Computed tomography, abdomen · axial view · soft-tissue window (W 400 / L 40) · 45-year-old male patient
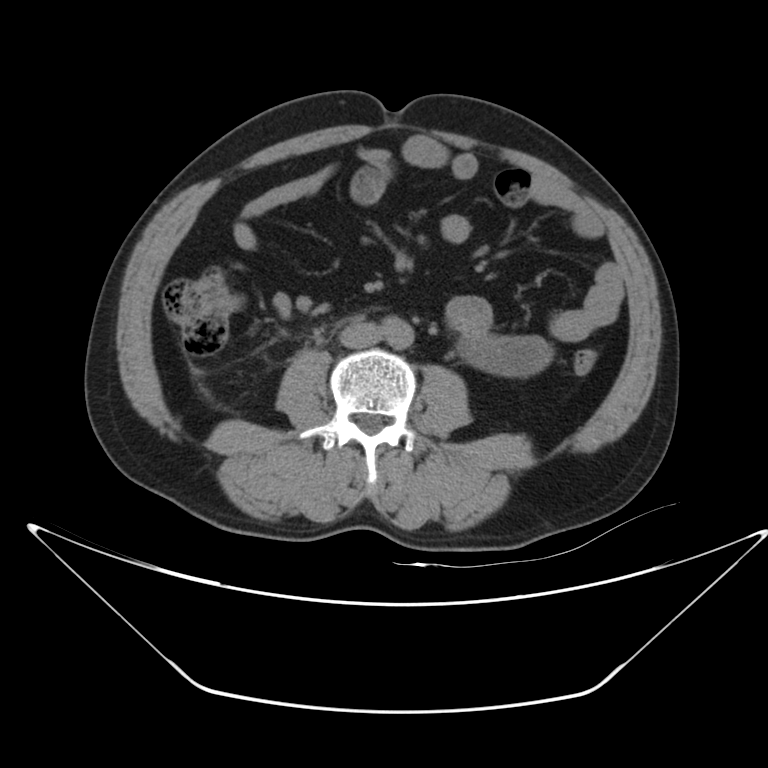

Boxes: x1:y1:x2:y2 in pixels.
aorta: 381:316:414:348
inferior vena cava: 339:323:380:348